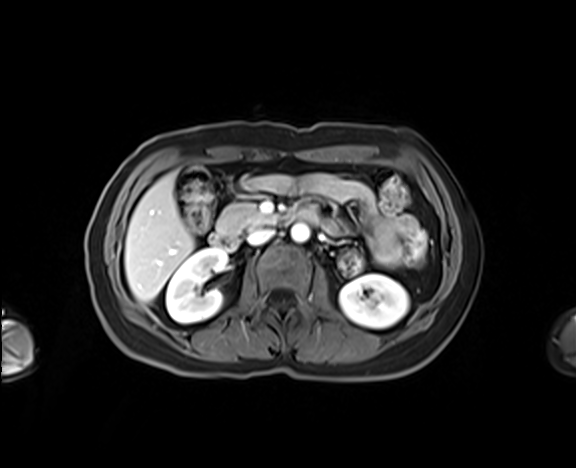 MRI, abdomen · axial view · percentile-normalized · 576x468 px
{"organs":{"right kidney":[166,248,226,323],"pancreas":[217,203,274,236],"duodenum":[209,208,319,250],"left kidney":[340,274,409,328],"liver":[124,173,194,302],"aorta":[291,223,309,242],"inferior vena cava":[247,229,273,244]}}